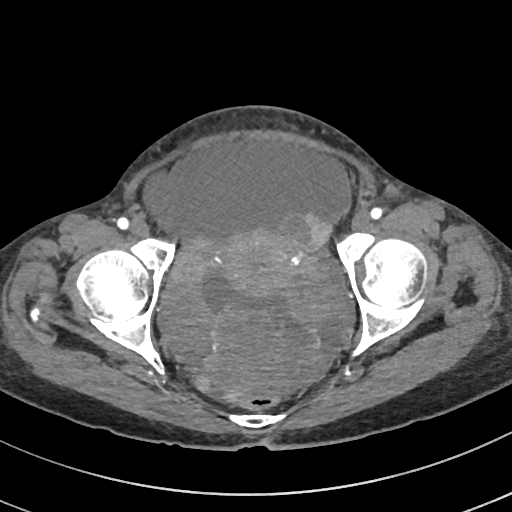
CT, abdomen/pelvis — axial view — soft-tissue window
Organ boxes in pixel coordinates; each row gives the top-left (x1, y1) and bottom-right (x2, y2) corners.
| organ | x1 | y1 | x2 | y2 |
|---|---|---|---|---|
| prostate/uterus | 221 | 229 | 296 | 296 |